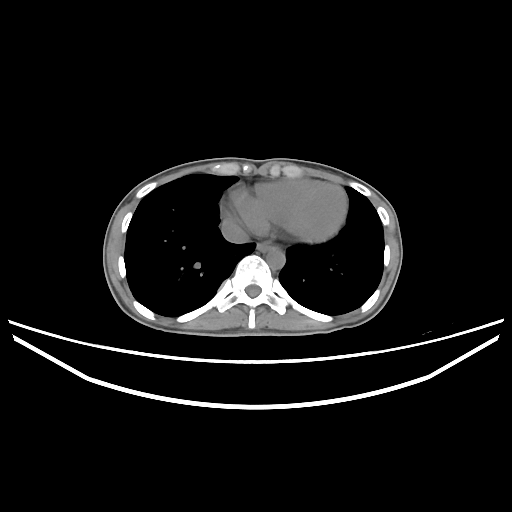

Lower-chest slice from an abdominal CT, just above the liver and spleen · axial view · W/L 400/40 HU · 512x512 px · 31-year-old female patient · 15 organs annotated in this scan (a whole-scan count: organs this slice does not pass through have no box)
The heart and lungs are never labeled in this dataset, so they have no box on this slice.
<organs><organ name="esophagus" x1="257" y1="241" x2="273" y2="252"/><organ name="aorta" x1="266" y1="247" x2="285" y2="269"/><organ name="inferior vena cava" x1="221" y1="218" x2="248" y2="243"/></organs>